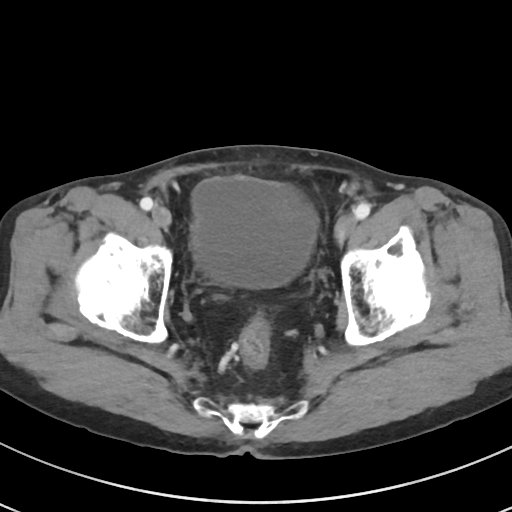

CT abdomen — axial view
<organs><organ name="bladder" x1="192" y1="176" x2="317" y2="287"/></organs>